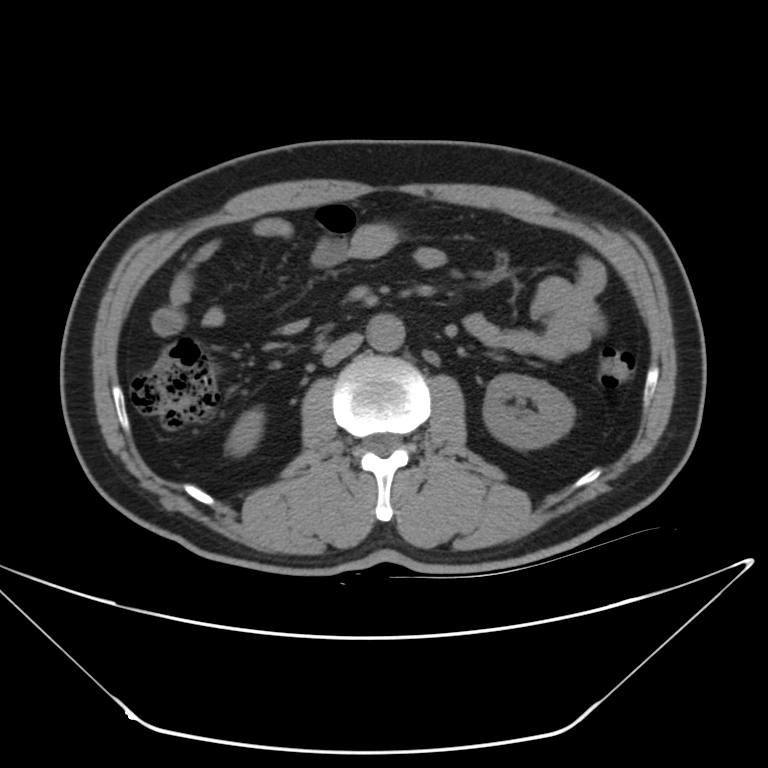

CT, abdomen/pelvis — axial view — soft-tissue window (W 400 / L 40) — 768x768 px — 15 organs annotated in this scan (that count is for the whole scan; organs this slice misses have no box)
{"organs":{"right kidney":[226,408,263,454],"left kidney":[483,374,577,446],"aorta":[369,314,405,353],"inferior vena cava":[321,334,362,367]}}